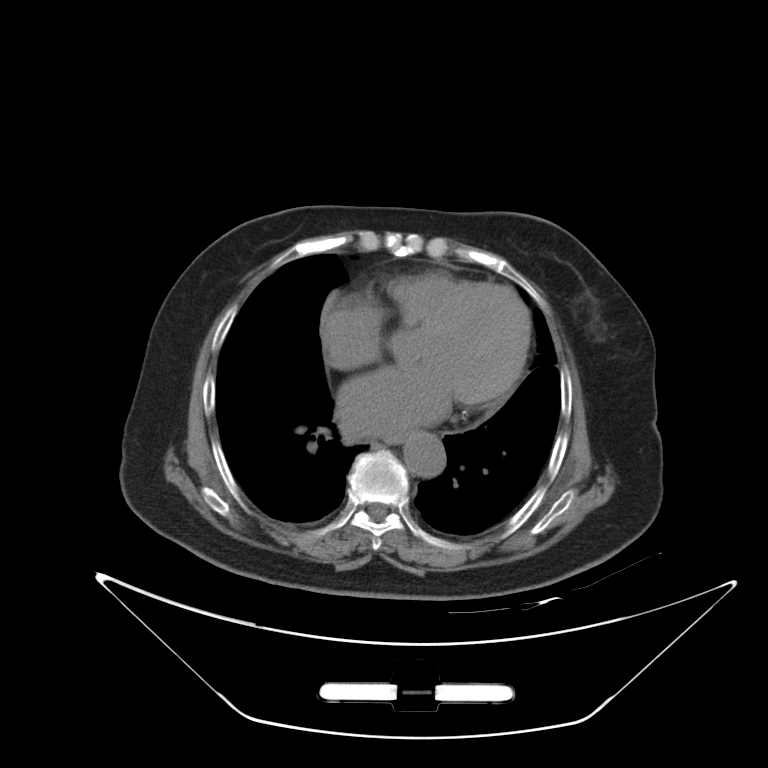 Abdominal CT; this slice is in the lower chest, just above the liver; axial plane, index 86; 768x768 px
Of the structures in the chest, this dataset labels only the esophagus, the aorta and the inferior vena cava; the heart and lungs have no label.
Coordinates as <box>x1,y1,x2,y2</box> in pixels.
aorta: <box>403,432,446,477</box>
esophagus: <box>385,429,411,441</box>